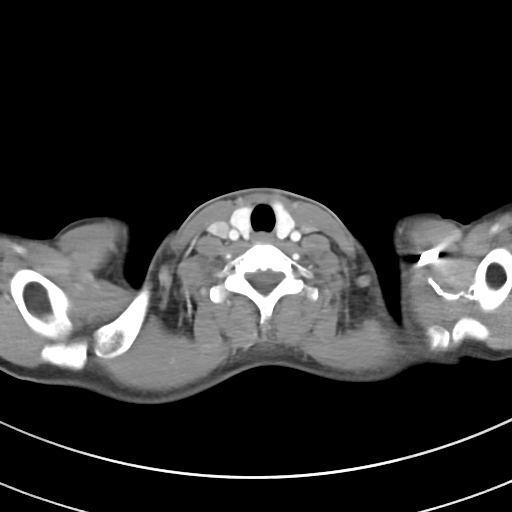

Chest-level CT slice, above the liver and spleen — Axial slice 120/121 — 512x512 px — SOMATOM Force scanner
On a slice this high in the chest, this dataset labels only the esophagus and the aorta, and each is boxed only where it is labeled; the heart, lungs and other chest structures are not labeled.
Each box given as x1,y1,x2,y2.
esophagus: x1=251, y1=233, x2=273, y2=242